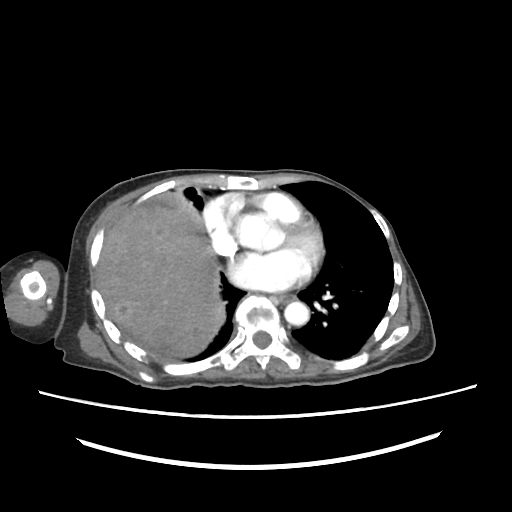 Abdominal CT · Axial slice 86/111 · soft-tissue window (W 400 / L 40)
Bounding boxes as [x1, y1, x2, y2] in pixel coordinates. 3 labeled organs on this slice — liver at [97, 193, 225, 356]; esophagus at [278, 294, 294, 301]; aorta at [284, 301, 309, 325].